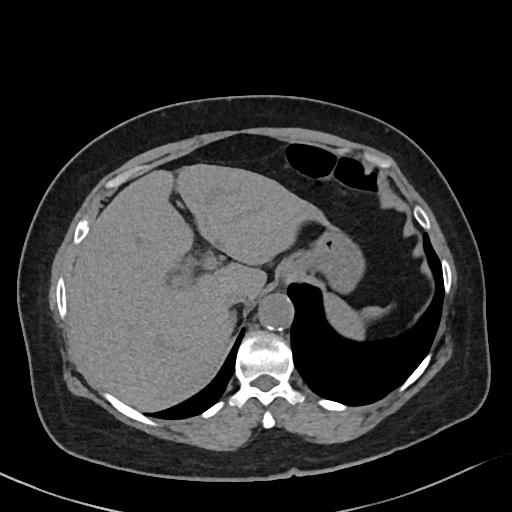

Computed tomography, abdomen — axial view
One row per box, in pixels: columns x1 and y1 give the top-left corner, x2 and y2 the bottom-right.
| organ | x1 | y1 | x2 | y2 |
|---|---|---|---|---|
| aorta | 258 | 293 | 293 | 329 |
| liver | 68 | 164 | 323 | 411 |
| inferior vena cava | 224 | 284 | 254 | 305 |
| right adrenal gland | 232 | 311 | 235 | 318 |
| stomach | 278 | 225 | 365 | 292 |
| spleen | 325 | 294 | 387 | 339 |